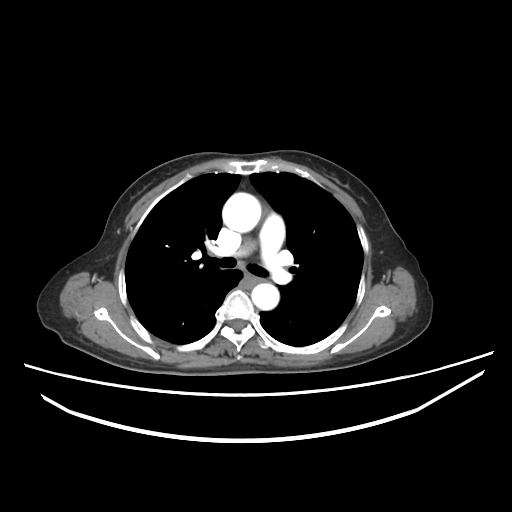

Chest-level slice from an abdominal CT that extends up into the chest. axial plane, index 103. soft-tissue window. 63-year-old female patient. Aquilion ONE scanner
At this level of the chest no structure but the esophagus and the aorta has a label in this dataset, and those two are boxed only where they are labeled.
Box edges are left/top/right/bottom in pixels.
aorta: left=223, top=192, right=262, bottom=233
aorta: left=251, top=282, right=280, bottom=308